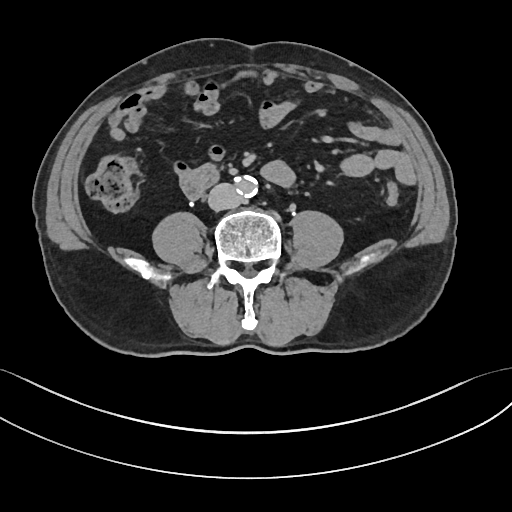

CT abdomen — axial view — 512x512 px
<organs><organ name="aorta" x1="235" y1="176" x2="257" y2="197"/><organ name="inferior vena cava" x1="208" y1="183" x2="242" y2="210"/><organ name="duodenum" x1="181" y1="164" x2="220" y2="197"/></organs>